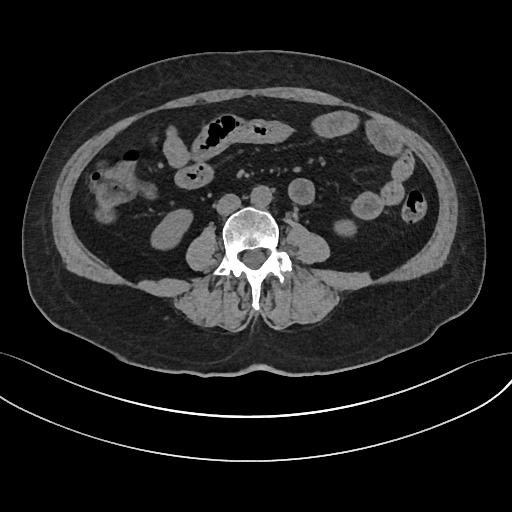

CT abdomen — axial plane, index 99 — acquired on SOMATOM Force
{"organs":{"inferior vena cava":[216,194,240,214],"aorta":[251,185,272,206],"right kidney":[152,208,191,246],"left kidney":[337,222,354,232]}}